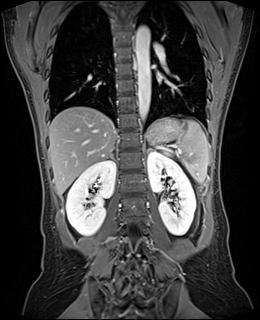

Abdominal MR; coronal acquisition; percentile-normalized; scan has 13 labeled organs (that count is for the whole scan; organs this slice misses have no box)
Boxes are (x1, y1, x2, y2) in pixels. The annotated organs in this slice are: spleen at (147, 120, 208, 182), right kidney at (66, 160, 116, 235), left adrenal gland at (147, 147, 156, 152), left kidney at (148, 151, 195, 235), liver at (48, 106, 114, 195), stomach at (147, 117, 183, 141), right adrenal gland at (108, 151, 114, 159), aorta at (136, 26, 150, 120).